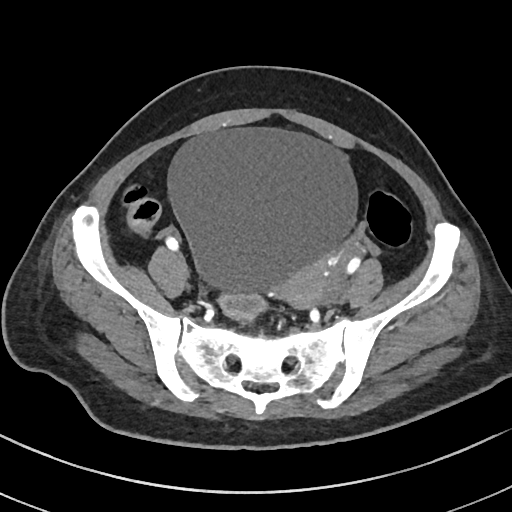

CT, abdomen/pelvis. Axial slice 59/191. SOMATOM Force scanner
Organ boxes in pixel coordinates; each row gives the top-left (x1, y1) and bottom-right (x2, y2) corners.
| organ | x1 | y1 | x2 | y2 |
|---|---|---|---|---|
| prostate/uterus | 279 | 259 | 330 | 308 |
| bladder | 165 | 129 | 357 | 293 |